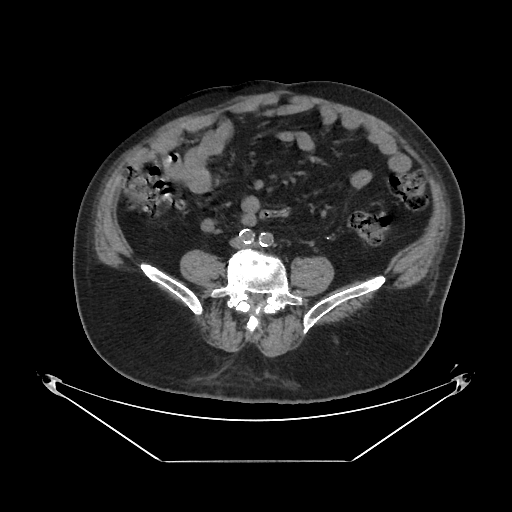 CT, abdomen/pelvis. axial view. soft-tissue window
Boxes are (x1, y1, x2, y2) in pixels. The annotated organs in this slice are: inferior vena cava at (232, 239, 236, 245).